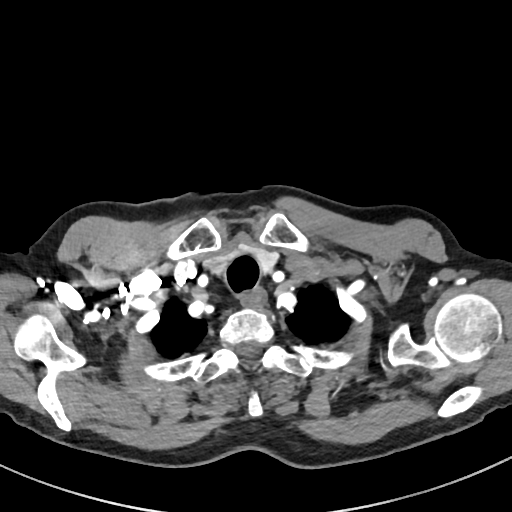 Chest-level CT slice, above the liver and spleen. axial view. scan has 15 labeled organs (counted over the whole 3D scan, not this slice; an organ is boxed only where this slice passes through it)
At this level of the chest this dataset labels only the esophagus and the aorta, and each is boxed only where it is labeled; the heart and lungs are never labeled.
Boxes are (x1, y1, x2, y2) in pixels.
esophagus: (240, 289, 265, 307)